CT, abdomen/pelvis. axial plane, index 58. abdomen soft-tissue window. scan has 15 labeled organs (counted over the whole 3D scan, not this slice; an organ is boxed only where this slice passes through it)
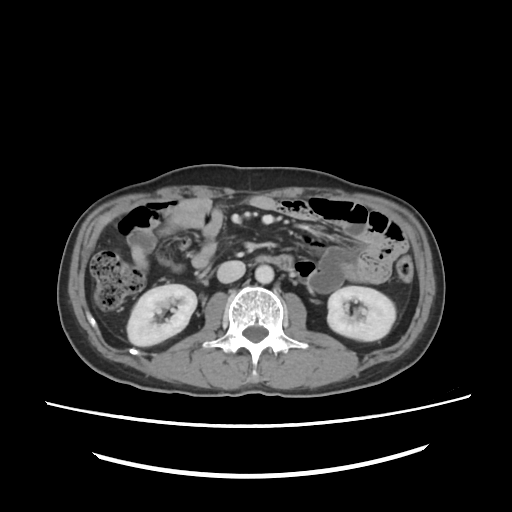 Boxes: x1:y1:x2:y2 in pixels.
right kidney: 128:284:196:345
left kidney: 326:286:394:341
aorta: 255:265:273:283
inferior vena cava: 217:261:244:281
duodenum: 256:254:294:275